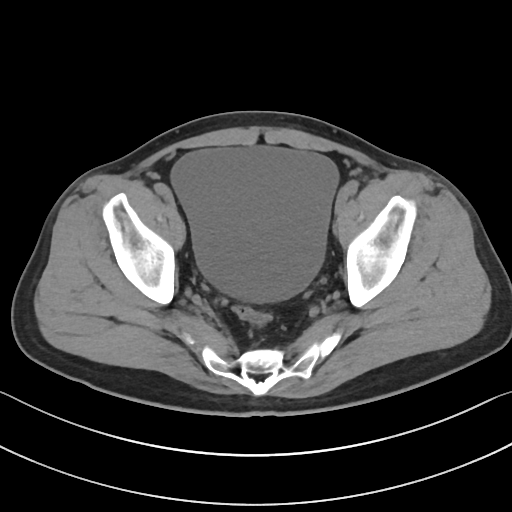

Computed tomography, abdomen; Axial slice 22/87; 512x512 px
{"organs":{"bladder":[171,148,336,302]}}